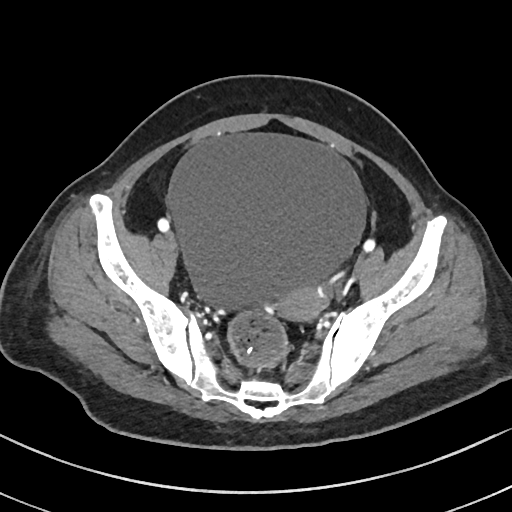
Abdominal CT; Axial slice 50/191; soft-tissue window; 512x512 px
Bounding boxes as [x1, y1, x2, y2] in pixel coordinates. 2 labeled organs on this slice — bladder at [168, 135, 364, 308]; prostate/uterus at [276, 286, 322, 319].